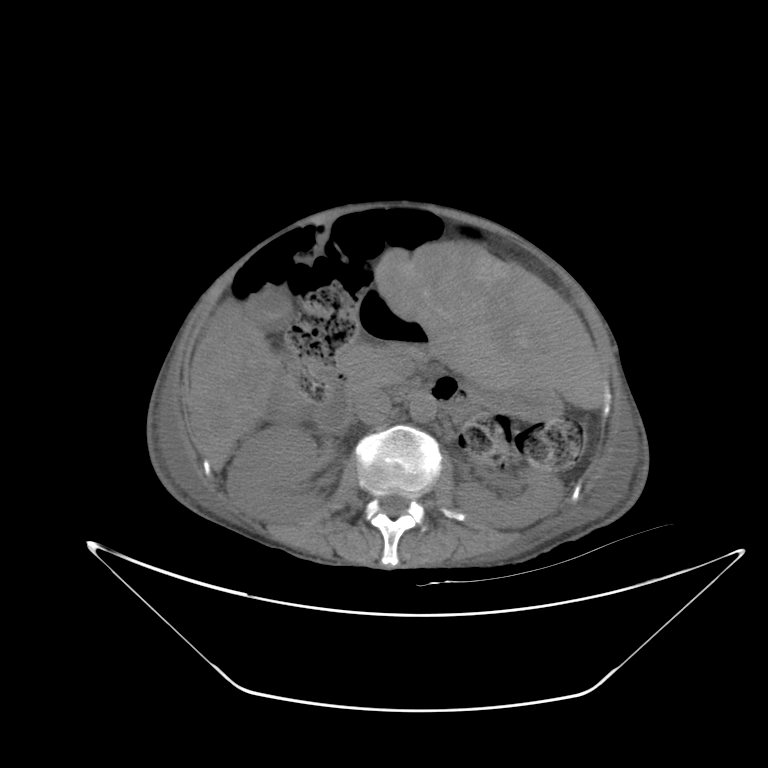
CT, abdomen/pelvis. Axial slice 64/108. 768x768 px
<organs><organ name="right kidney" x1="227" y1="426" x2="322" y2="521"/><organ name="left kidney" x1="456" y1="468" x2="562" y2="527"/><organ name="gall bladder" x1="251" y1="286" x2="291" y2="319"/><organ name="liver" x1="189" y1="241" x2="606" y2="468"/><organ name="stomach" x1="360" y1="282" x2="562" y2="419"/><organ name="aorta" x1="409" y1="395" x2="436" y2="422"/><organ name="inferior vena cava" x1="355" y1="389" x2="391" y2="424"/><organ name="pancreas" x1="342" y1="344" x2="417" y2="393"/><organ name="duodenum" x1="314" y1="366" x2="472" y2="433"/></organs>